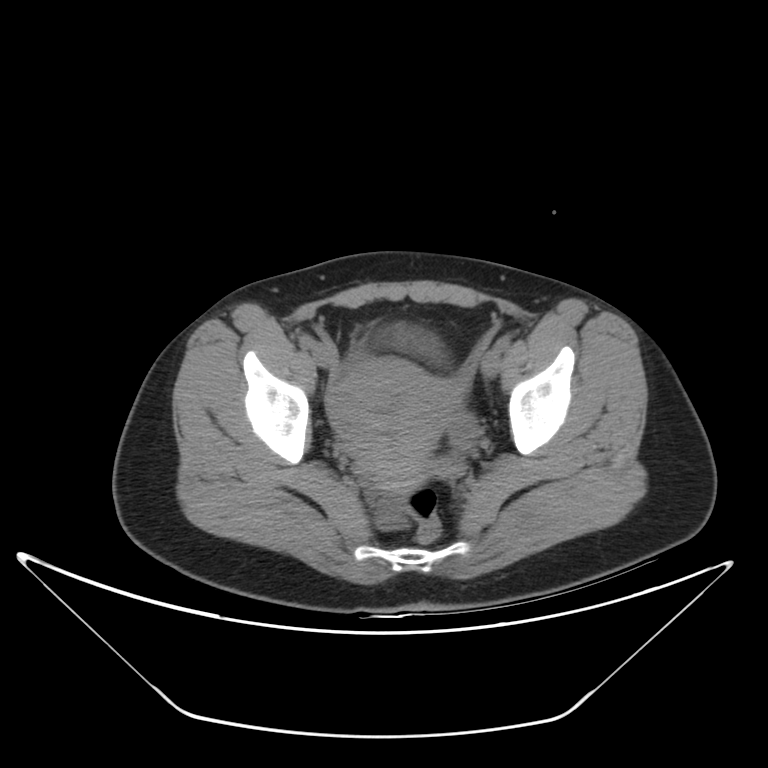 CT, abdomen/pelvis. axial view
Bounding boxes as [x1, y1, x2, y2] in pixel coordinates.
bladder: [393, 326, 441, 357]
prostate/uterus: [326, 358, 451, 490]